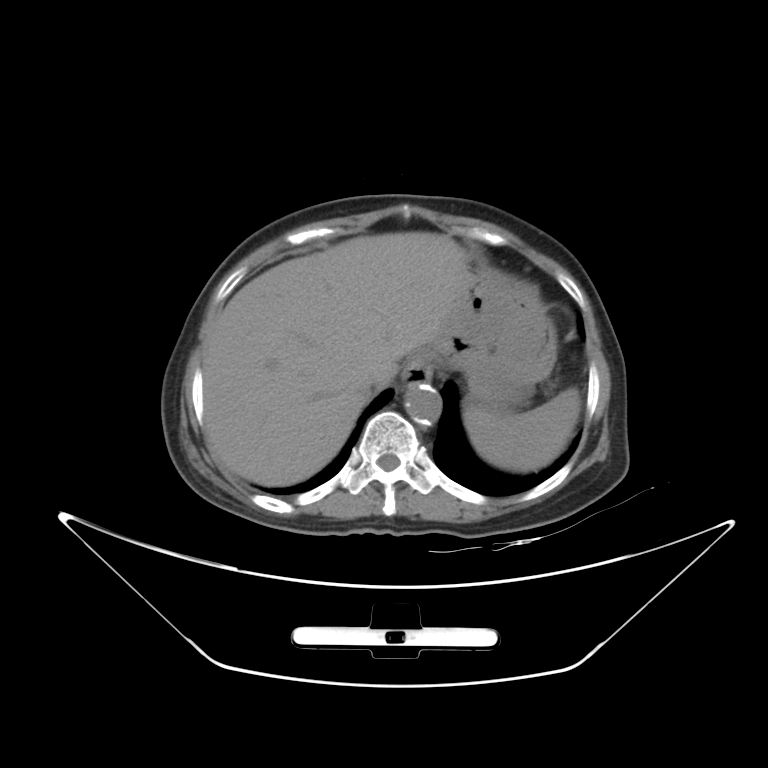 Computed tomography, abdomen — axial view — soft-tissue window (W 400 / L 40) — 768x768 px — scan has 15 labeled organs (that count is for the whole scan; organs this slice misses have no box)
One row per box, in pixels: columns x1 and y1 give the top-left corner, x2 and y2 the bottom-right.
| organ | x1 | y1 | x2 | y2 |
|---|---|---|---|---|
| esophagus | 401 | 359 | 431 | 389 |
| spleen | 465 | 388 | 580 | 471 |
| aorta | 404 | 383 | 441 | 424 |
| stomach | 414 | 253 | 555 | 407 |
| inferior vena cava | 358 | 372 | 382 | 390 |
| liver | 203 | 231 | 466 | 485 |